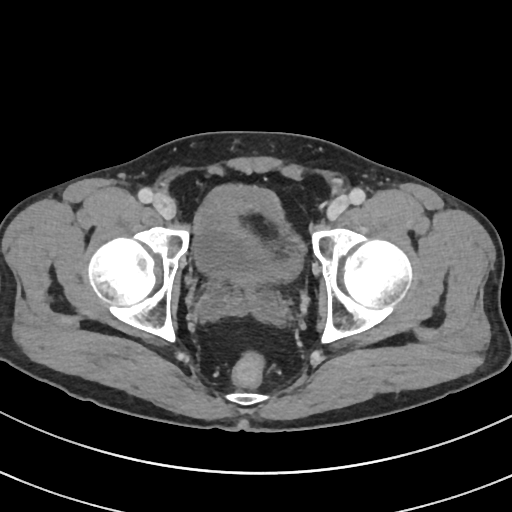 Computed tomography, abdomen. axial view. soft-tissue window (W 400 / L 40). 512x512 px
Box edges are left/top/right/bottom in pixels.
bladder: left=192, top=185, right=305, bottom=287